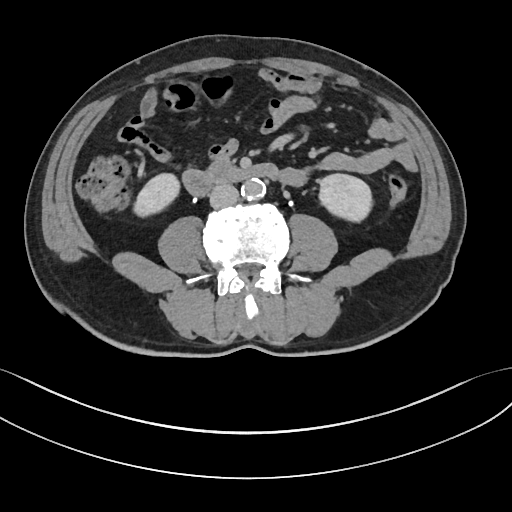 CT abdomen · axial plane, index 120 · soft-tissue window
Boxes: x1 y1 x2 y2 (pixel coords, space-separated). Labeled organs on this slice: duodenum at 183 162 278 195, left kidney at 319 174 372 222, inferior vena cava at 209 184 239 208, aorta at 241 178 265 200, right kidney at 133 173 179 217.